CT, abdomen/pelvis · Axial slice 39/207 · 512x512 px
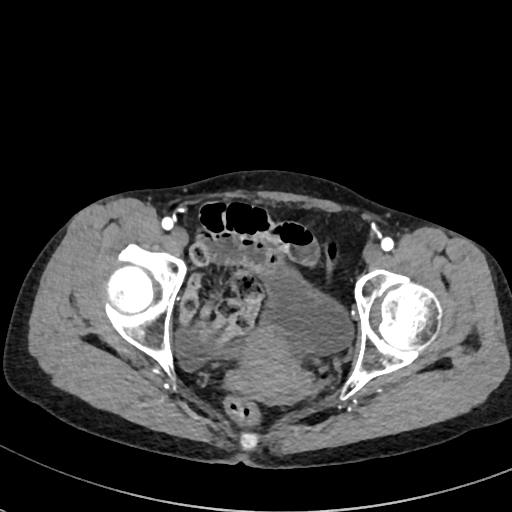 Each box given as x1,y1,x2,y2. 2 labeled organs on this slice — bladder at x1=175, y1=271, x2=352, y2=369; prostate/uterus at x1=238, y1=326, x2=310, y2=403.